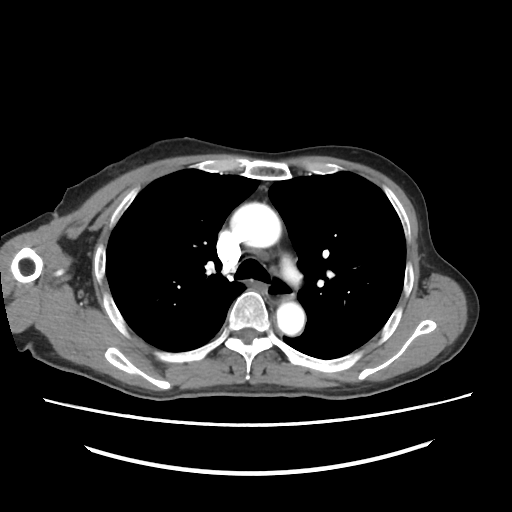 Chest-level slice from an abdominal CT that extends up into the chest — axial plane, index 113 — soft-tissue window — 61-year-old male patient — acquired on Aquilion ONE
At this level of the chest no structure but the esophagus and the aorta has a label in this dataset, and those two are boxed only where they are labeled.
Boxes: x1 y1 x2 y2 (pixel coords, space-separated).
Organ bounding boxes:
- esophagus: 266 274 293 305
- aorta: 232 202 282 246
- aorta: 277 301 305 335